CT, abdomen/pelvis — axial view — Brilliance16 scanner
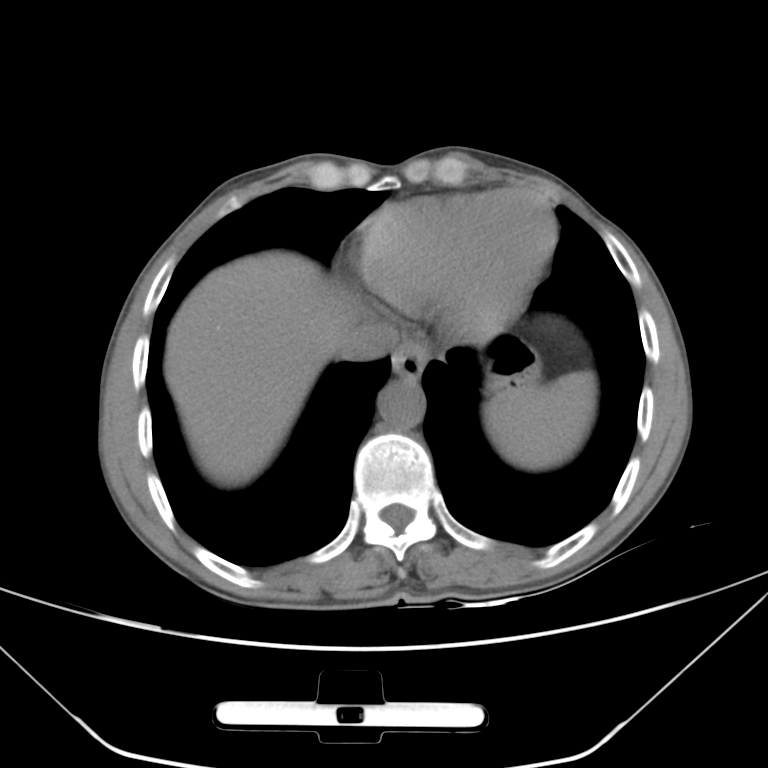

Boxes are (x1, y1, x2, y2) in pixels.
spleen: (485, 371, 596, 469)
esophagus: (392, 340, 428, 378)
liver: (164, 252, 354, 485)
stomach: (480, 345, 537, 395)
aorta: (377, 377, 425, 428)
inferior vena cava: (337, 322, 398, 361)